Computed tomography, abdomen · axial plane, index 26
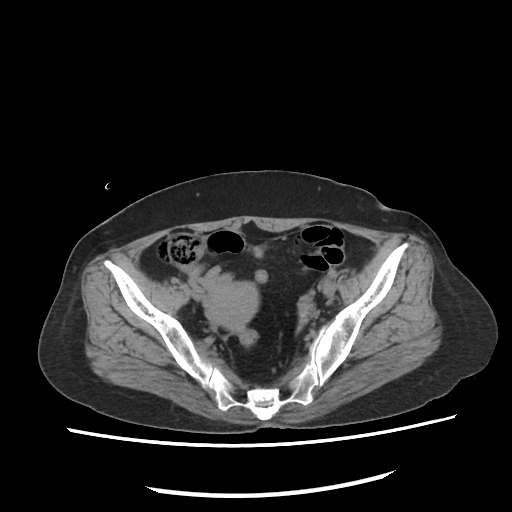

{"organs":{"prostate/uterus":[206,282,257,327]}}